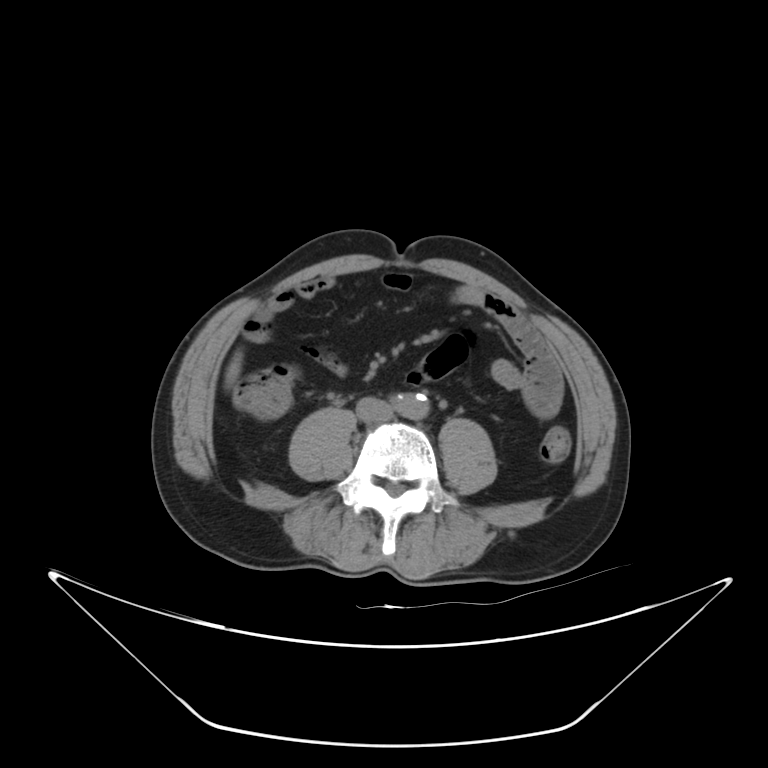 CT, abdomen/pelvis · axial view
Each box given as x1,y1,x2,y2.
Organ bounding boxes:
- liver: x1=225, y1=351, x2=242, y2=387
- aorta: x1=396, y1=393, x2=429, y2=419
- inferior vena cava: x1=357, y1=398, x2=393, y2=420